CT, abdomen/pelvis · Axial slice 11/78 · abdomen soft-tissue window
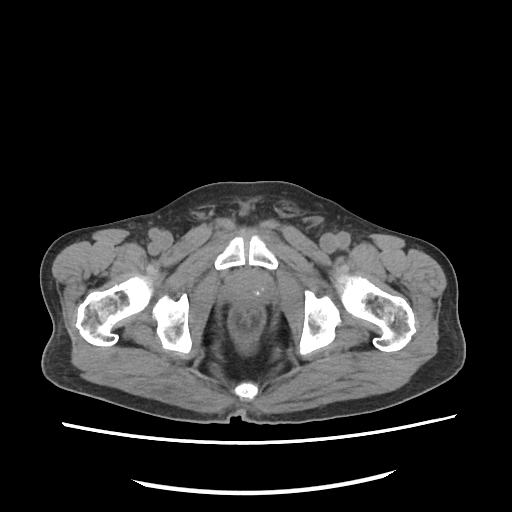 One row per box, in pixels: columns x1 and y1 give the top-left corner, x2 and y2 the bottom-right.
| organ | x1 | y1 | x2 | y2 |
|---|---|---|---|---|
| prostate/uterus | 225 | 270 | 273 | 306 |